CT abdomen · axial plane, index 47 · soft-tissue window · 768x768 px · 50-year-old male patient · 14 organs annotated in this scan (a whole-scan count: organs this slice does not pass through have no box)
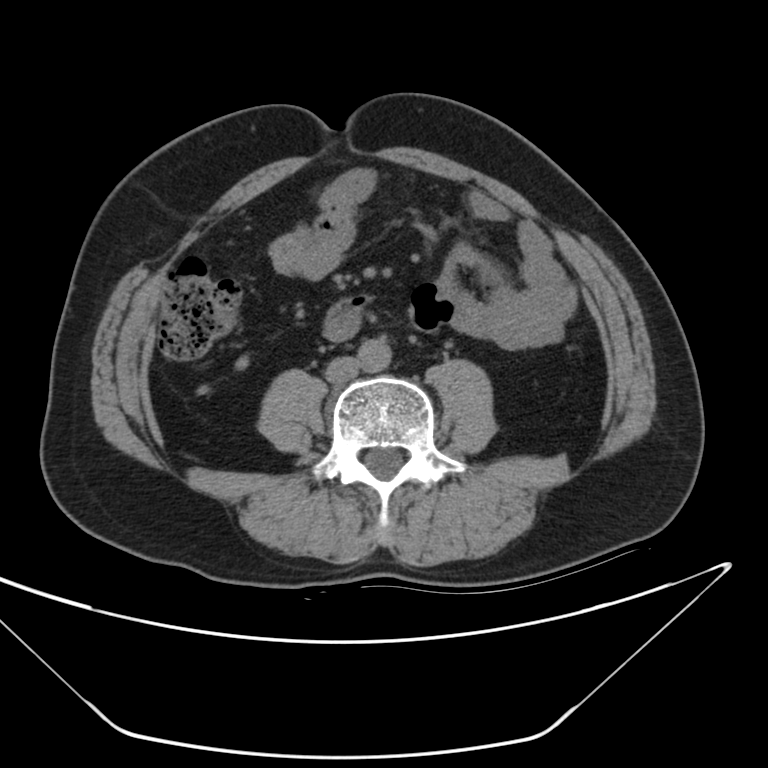 {"organs":{"aorta":[358,339,390,372],"inferior vena cava":[327,357,358,383],"duodenum":[324,295,361,342]}}